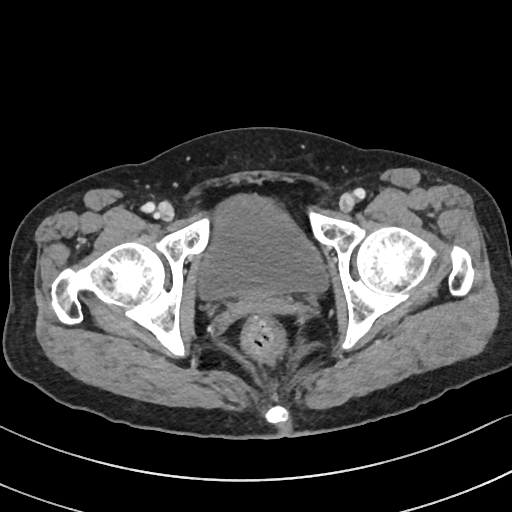
Computed tomography, abdomen — Axial slice 29/314 — W/L 400/40 HU — 512x512 px
Organ boxes in pixel coordinates; each row gives the top-left (x1, y1) and bottom-right (x2, y2) corners.
| organ | x1 | y1 | x2 | y2 |
|---|---|---|---|---|
| bladder | 199 | 195 | 327 | 299 |